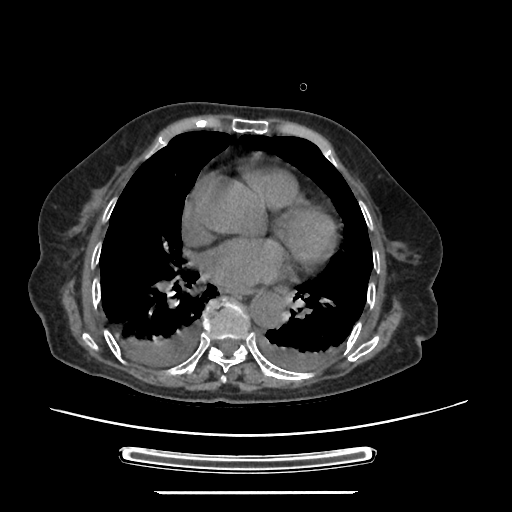 Lower-chest slice from an abdominal CT, just above the liver and spleen — axial view
Of the structures in the chest, this dataset labels only the esophagus, the aorta and the inferior vena cava; the heart and lungs have no label.
{"organs":{"esophagus":[228,289,250,294],"aorta":[249,292,286,328]}}